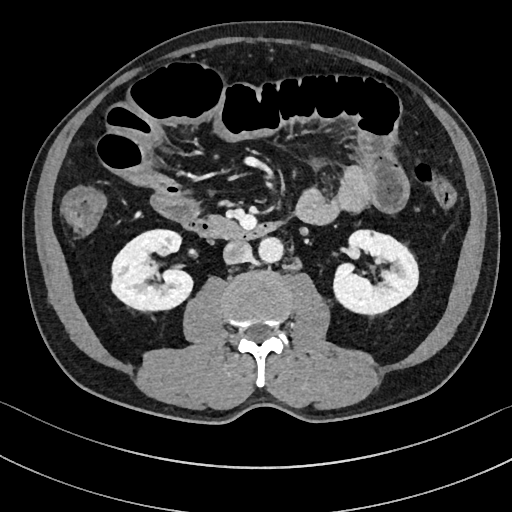
Abdominal CT — axial plane, index 130 — soft-tissue window
{"organs":{"right kidney":[111,229,192,310],"left kidney":[333,230,418,314],"aorta":[258,237,283,263],"inferior vena cava":[223,240,252,264],"duodenum":[183,216,279,240]}}